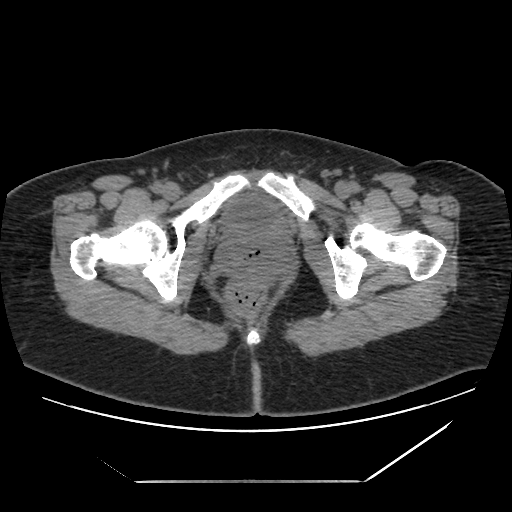

Abdominal CT. axial plane, index 17. soft-tissue window. SOMATOM Force scanner
Boxes: x1 y1 x2 y2 (pixel coords, space-separated).
Organ bounding boxes:
- bladder: 221 195 284 232